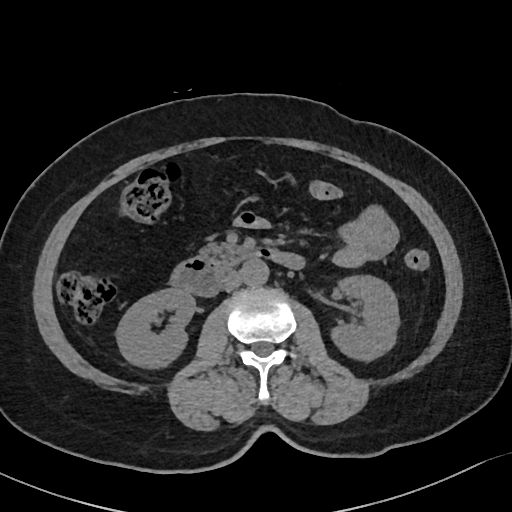 Abdominal CT · axial view · 15 organs annotated in this scan (counted over the whole 3D scan, not this slice; an organ is boxed only where this slice passes through it)
{"organs":{"right kidney":[117,288,194,367],"inferior vena cava":[223,272,243,290],"left kidney":[330,275,399,358],"pancreas":[203,242,247,265],"duodenum":[173,246,302,296],"aorta":[241,258,268,285]}}